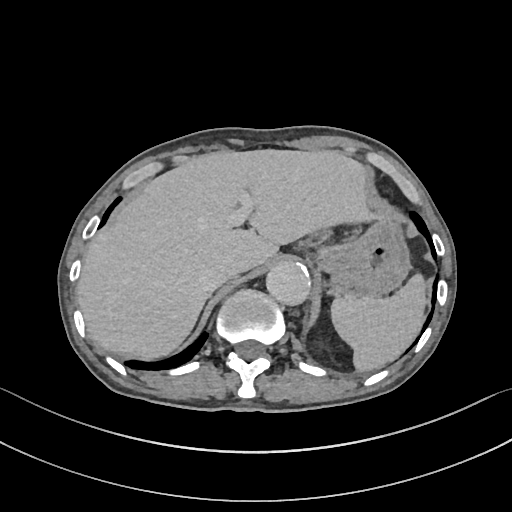 CT, abdomen/pelvis; axial view; 15 organs annotated in this scan (counted over the whole 3D scan, not this slice; an organ is boxed only where this slice passes through it)
Boxes: x1 y1 x2 y2 (pixel coords, space-separated). The annotated organs in this slice are: spleen at 331 273 426 371, aorta at 266 261 310 305, liver at 76 149 369 359, stomach at 318 219 410 297, inferior vena cava at 200 257 237 290.